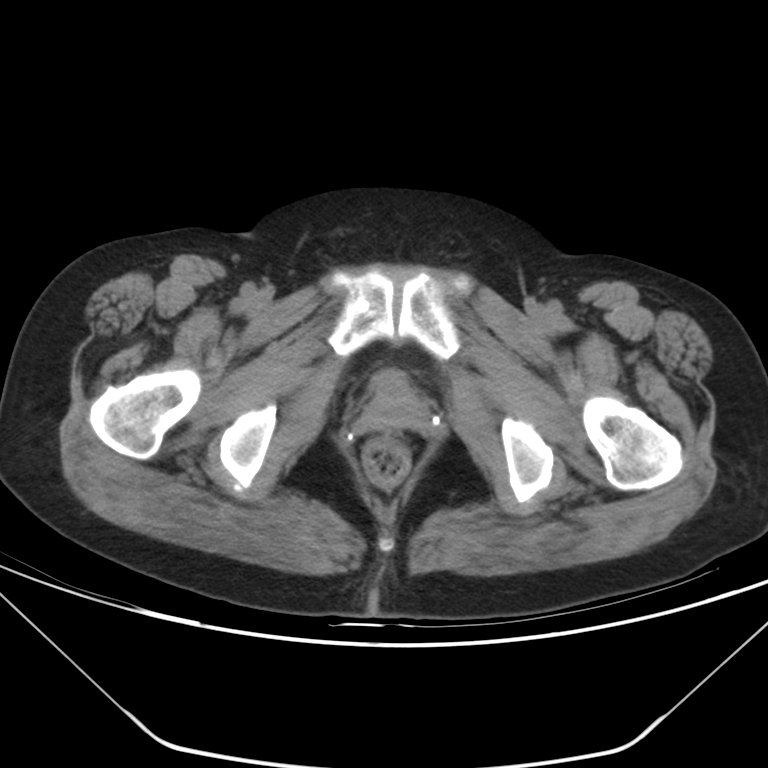 CT abdomen — axial view — 40-year-old male patient — Brilliance16 scanner
<organs><organ name="prostate/uterus" x1="365" y1="380" x2="422" y2="427"/></organs>